CT, abdomen/pelvis. axial plane, index 51. 68-year-old male patient
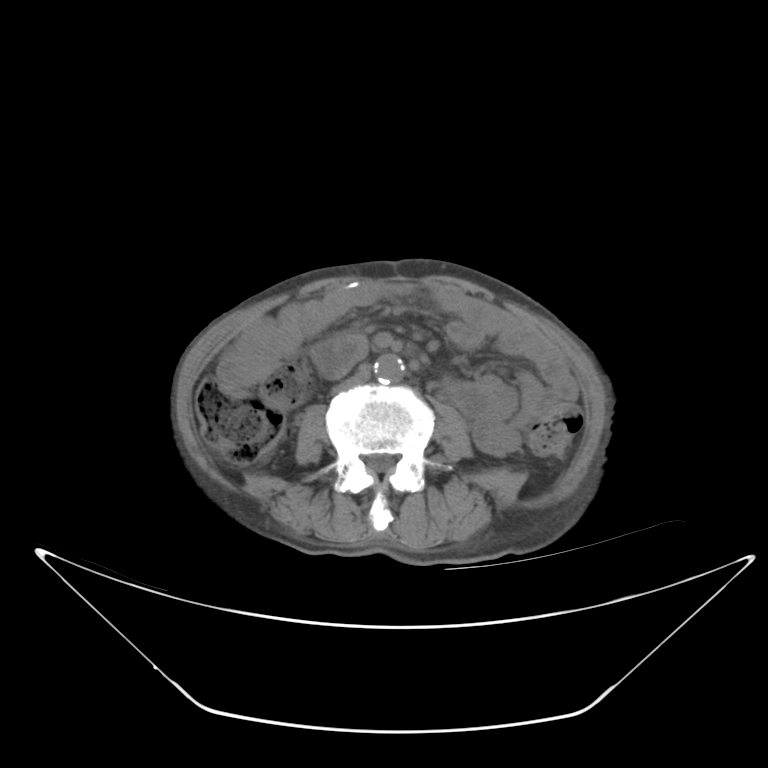 Box edges are left/top/right/bottom in pixels.
Organ bounding boxes:
- aorta: left=374, top=354, right=405, bottom=384
- inferior vena cava: left=333, top=370, right=369, bottom=392